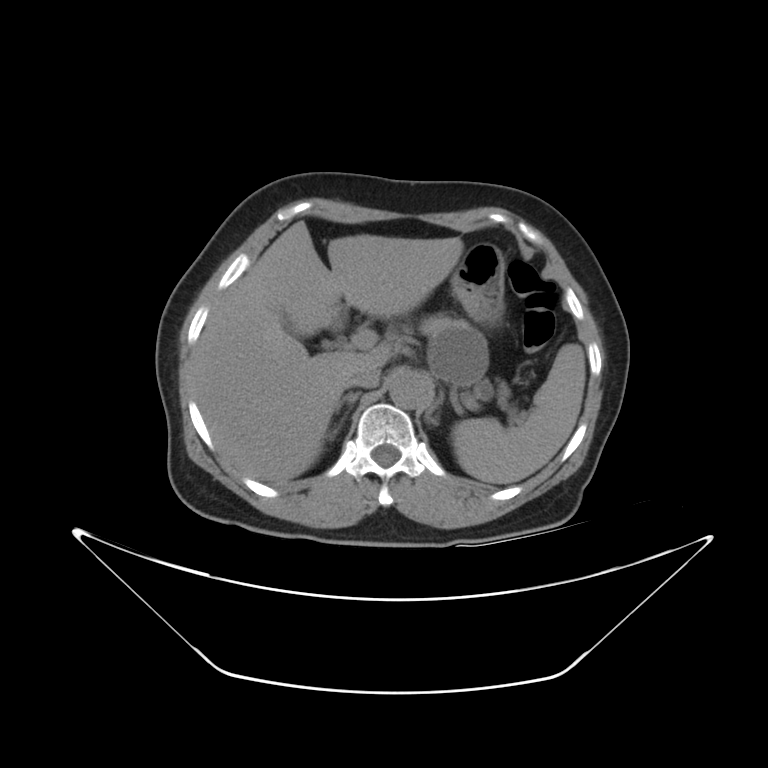

CT abdomen — Axial slice 69/91 — 768x768 px — 15 organs annotated in this scan (that count is for the whole scan; organs this slice misses have no box)
Coordinates as <box>x1,y1,x2,y2</box> in pixels. 10 labeled organs on this slice — spleen at <box>453,345,586,484</box>; gall bladder at <box>275,309,302,338</box>; liver at <box>193,220,464,480</box>; stomach at <box>451,243,502,325</box>; aorta at <box>384,373,431,411</box>; inferior vena cava at <box>353,365,380,387</box>; pancreas at <box>417,316,510,414</box>; right adrenal gland at <box>335,393,361,409</box>; left adrenal gland at <box>424,389,443,419</box>; duodenum at <box>330,305,346,330</box>.